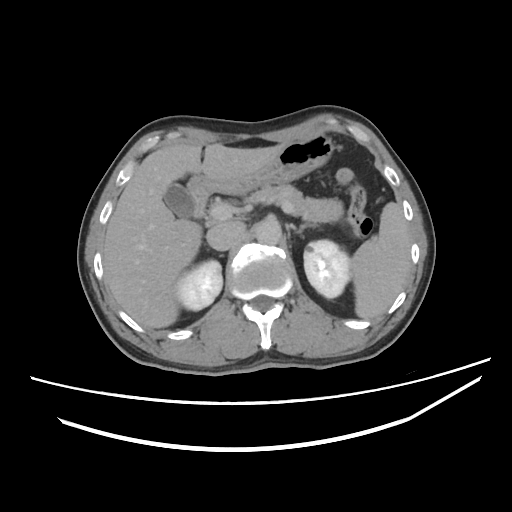
CT abdomen · axial view · 512x512 px
{"organs":{"spleen":[353,202,410,320],"right kidney":[172,259,222,312],"left kidney":[303,239,348,297],"gall bladder":[163,184,194,217],"liver":[102,138,291,327],"stomach":[186,131,335,196],"aorta":[255,218,281,244],"inferior vena cava":[207,221,246,251],"pancreas":[243,183,345,222],"left adrenal gland":[290,223,315,237],"duodenum":[193,196,207,220]}}